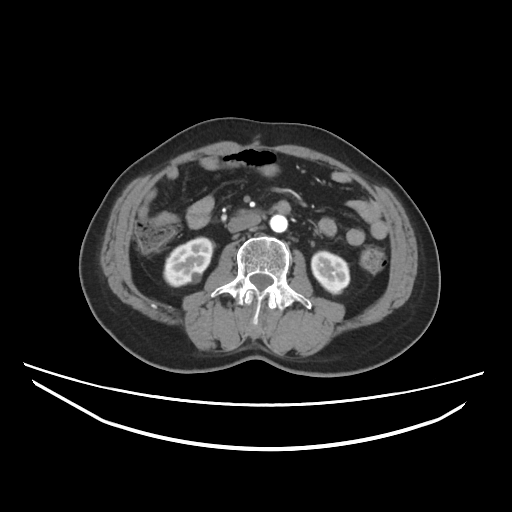
Computed tomography, abdomen — Axial slice 54/124 — soft-tissue window (W 400 / L 40) — 512x512 px — 58-year-old male patient
Boxes: x1:y1:x2:y2 in pixels.
right kidney: 164:237:212:286
left kidney: 311:251:349:293
aorta: 270:214:287:232
inferior vena cava: 227:214:260:232
duodenum: 239:203:290:215